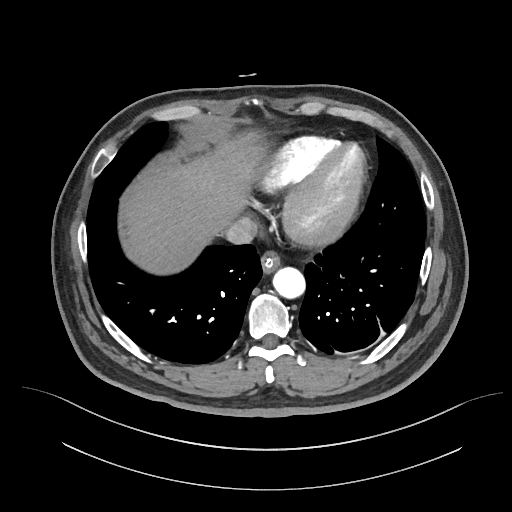

CT, abdomen/pelvis; axial plane, index 224; 512x512 px; 15 organs annotated in this scan (counted over the whole 3D scan, not this slice; an organ is boxed only where this slice passes through it)
{"organs":{"esophagus":[261,250,280,273],"liver":[119,136,264,275],"aorta":[273,267,305,298],"inferior vena cava":[225,217,258,244]}}